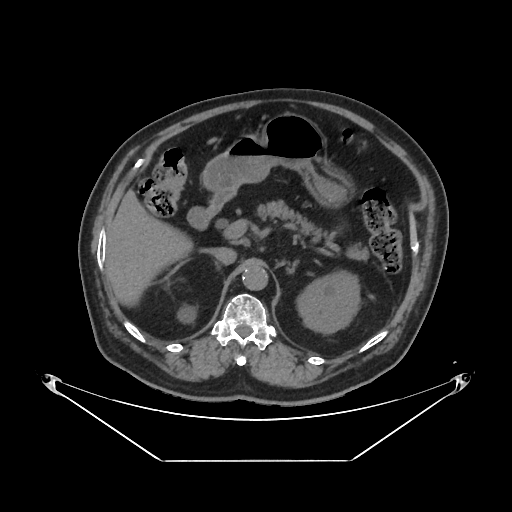
Abdominal CT · axial plane, index 256
<organs><organ name="left adrenal gland" x1="290" y1="262" x2="296" y2="274"/><organ name="right kidney" x1="180" y1="309" x2="193" y2="322"/><organ name="pancreas" x1="252" y1="199" x2="368" y2="259"/><organ name="left kidney" x1="297" y1="272" x2="359" y2="332"/><organ name="liver" x1="106" y1="190" x2="190" y2="303"/><organ name="inferior vena cava" x1="209" y1="247" x2="236" y2="264"/><organ name="aorta" x1="242" y1="264" x2="267" y2="290"/><organ name="duodenum" x1="186" y1="194" x2="228" y2="230"/><organ name="stomach" x1="204" y1="114" x2="342" y2="202"/></organs>